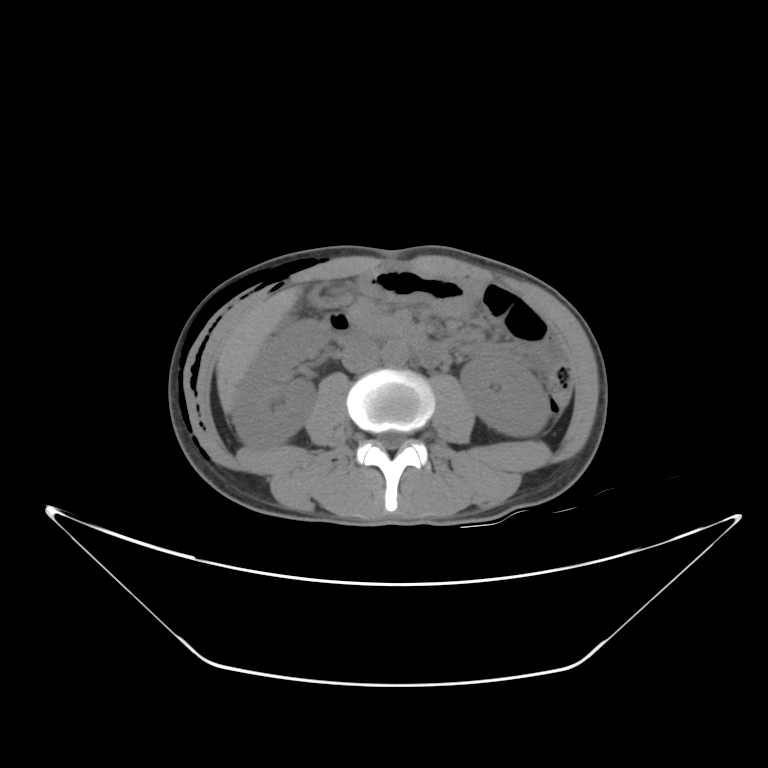 CT abdomen. axial view. Brilliance16 scanner
Boxes are (x1, y1, x2, y2) in pixels. Labeled organs on this slice: right kidney at (234, 320, 330, 447), left kidney at (459, 356, 550, 437), gall bladder at (352, 285, 354, 286), liver at (215, 285, 308, 413), stomach at (357, 270, 475, 313), aorta at (382, 341, 408, 364), inferior vena cava at (342, 345, 379, 373), pancreas at (344, 299, 411, 339), duodenum at (323, 312, 448, 369).